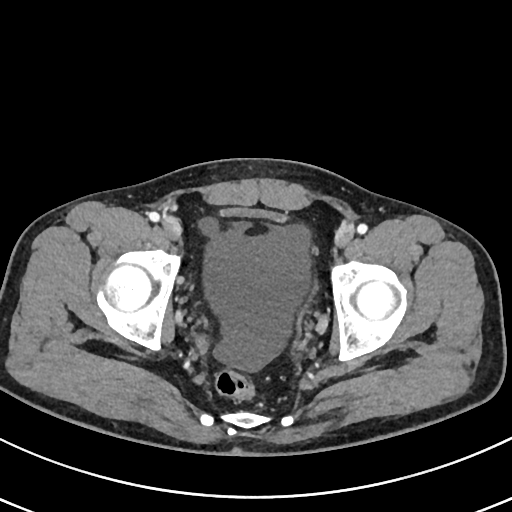
CT, abdomen/pelvis · axial view · abdomen soft-tissue window · 512x512 px
{"organs":{"bladder":[220,207,286,222]}}